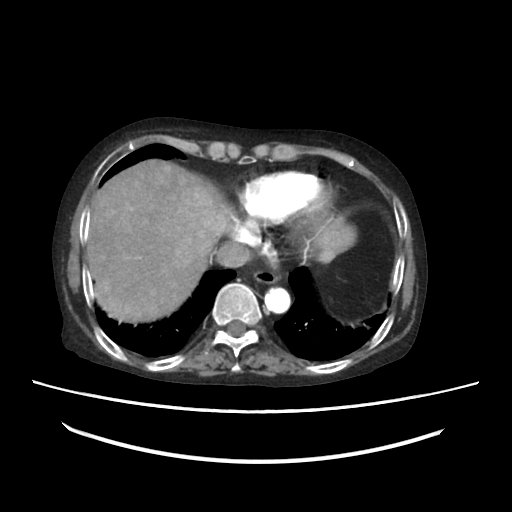
CT abdomen — Axial slice 81/89 — soft-tissue window (W 400 / L 40) — scan has 15 labeled organs (that count is for the whole scan; organs this slice misses have no box)
{"organs":{"aorta":[264,288,290,312],"liver":[86,160,355,325],"esophagus":[255,271,281,283],"inferior vena cava":[214,242,252,268]}}